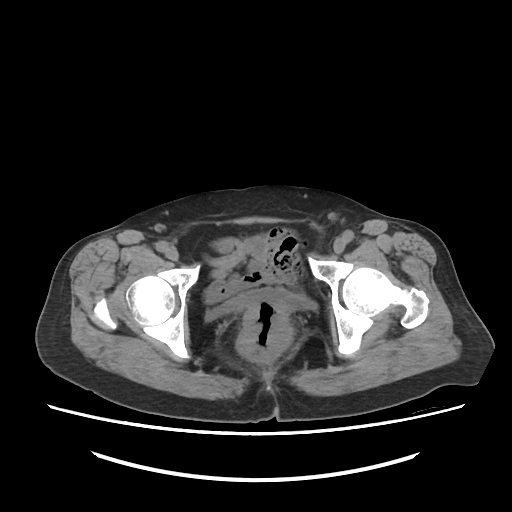

Computed tomography, abdomen. axial view. 512x512 px
{"organs":{"bladder":[204,288,318,322]}}